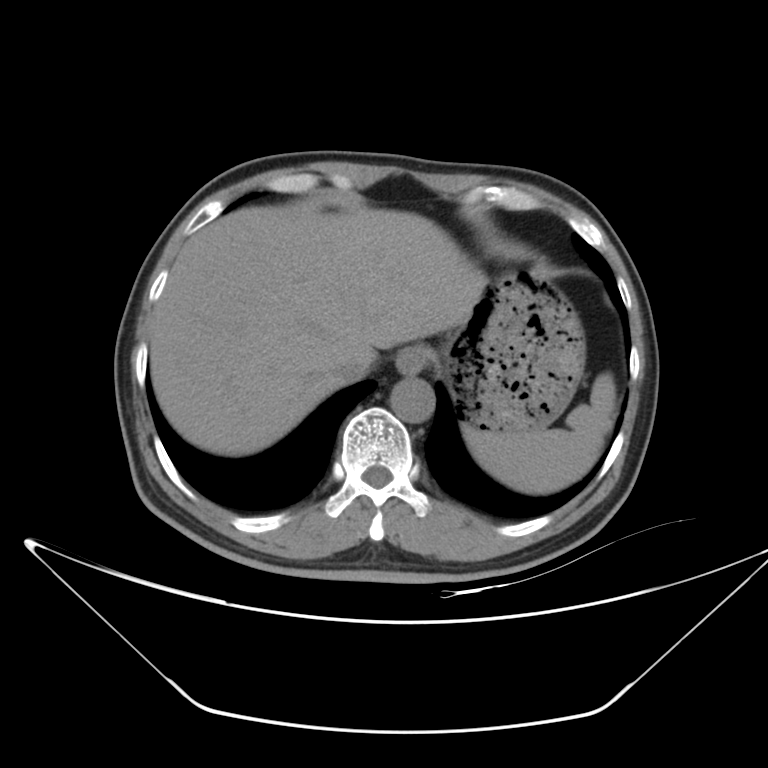 Computed tomography, abdomen; axial view; soft-tissue window (W 400 / L 40); 768x768 px; 56-year-old male patient; 14 organs annotated in this scan (a whole-scan count: organs this slice does not pass through have no box)
Bounding boxes in pixels, one row per box: x1, y1 is the top-left corner and x2, y2 the bottom-right.
| organ | x1 | y1 | x2 | y2 |
|---|---|---|---|---|
| aorta | 390 | 377 | 434 | 423 |
| inferior vena cava | 332 | 355 | 369 | 383 |
| esophagus | 395 | 346 | 428 | 374 |
| spleen | 463 | 371 | 615 | 494 |
| stomach | 438 | 271 | 586 | 431 |
| liver | 150 | 207 | 488 | 455 |